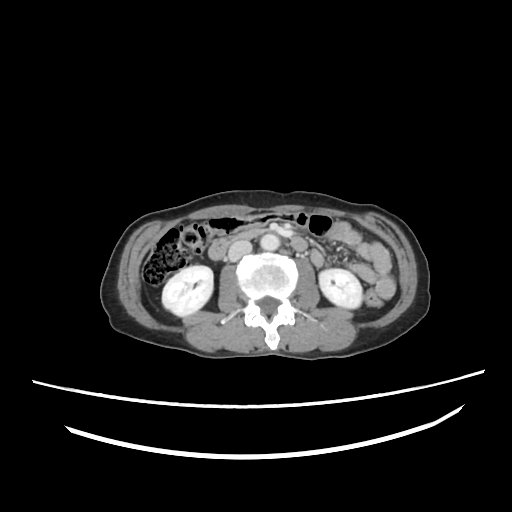 Abdominal CT. axial plane, index 48. Aquilion ONE scanner
{"organs":{"right kidney":[163,265,213,316],"left kidney":[318,269,361,308],"aorta":[260,234,279,249],"inferior vena cava":[227,240,252,262],"pancreas":[236,228,261,240],"duodenum":[208,235,237,259]}}